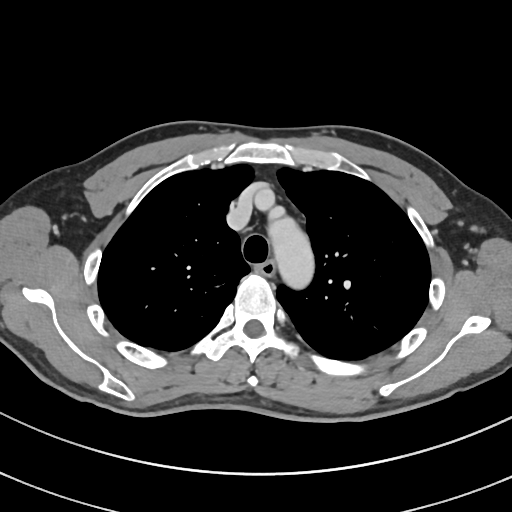
CT of the abdomen extending into the chest, slice through the chest. Axial slice 254/298. soft-tissue window (W 400 / L 40). 512x512 px. 15 organs annotated in this scan (that count is for the whole scan; organs this slice misses have no box)
At this level of the chest this dataset labels only the esophagus and the aorta, and each is boxed only where it is labeled; the heart and lungs are never labeled.
Each box given as x1,y1,x2,y2.
aorta: x1=272, y1=219, x2=311, y2=284
esophagus: x1=258, y1=259, x2=276, y2=275